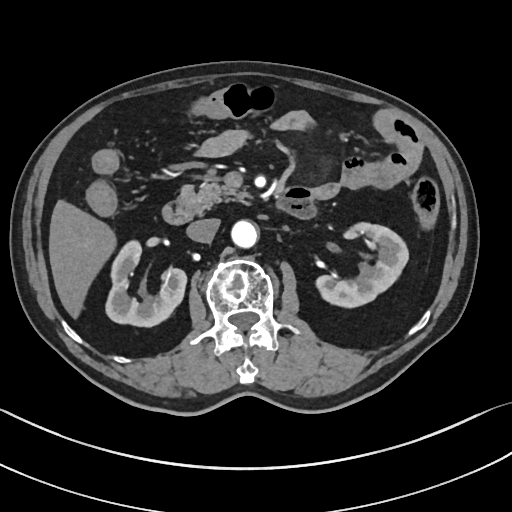
CT abdomen; Axial slice 143/306; 512x512 px; scan has 15 labeled organs (counted over the whole 3D scan, not this slice; an organ is boxed only where this slice passes through it)
<organs><organ name="right kidney" x1="105" y1="239" x2="186" y2="326"/><organ name="left kidney" x1="315" y1="222" x2="408" y2="308"/><organ name="liver" x1="49" y1="201" x2="114" y2="315"/><organ name="aorta" x1="231" y1="219" x2="257" y2="247"/><organ name="inferior vena cava" x1="187" y1="218" x2="219" y2="242"/><organ name="pancreas" x1="178" y1="182" x2="252" y2="212"/><organ name="duodenum" x1="163" y1="187" x2="316" y2="224"/></organs>